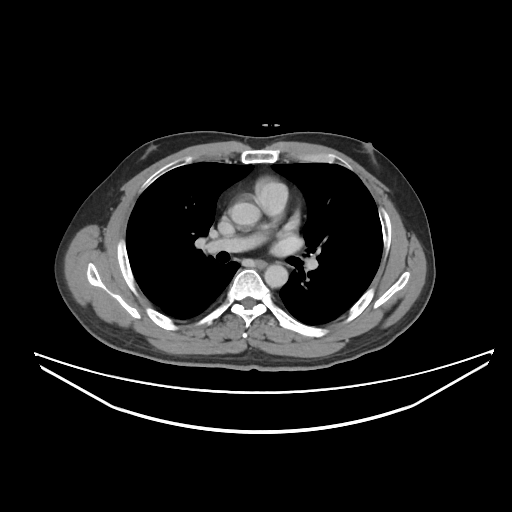 Chest-level CT slice, above the liver and spleen; axial view; soft-tissue window, W/L 400/40
On a slice this high in the chest, this dataset labels only the esophagus and the aorta, and each is boxed only where it is labeled; the heart, lungs and other chest structures are not labeled.
Bounding boxes in pixels, one row per box: x1, y1 is the top-left corner and x2, y2 the bottom-right.
| organ | x1 | y1 | x2 | y2 |
|---|---|---|---|---|
| esophagus | 255 | 260 | 266 | 267 |
| aorta | 230 | 203 | 259 | 225 |
| aorta | 264 | 264 | 288 | 287 |